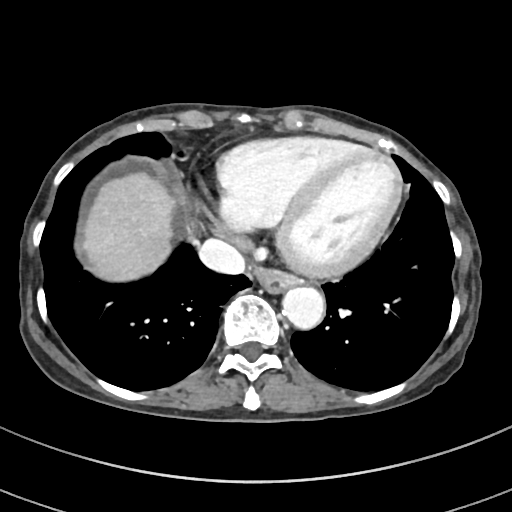
Abdominal CT — axial view — soft-tissue window
<organs><organ name="esophagus" x1="254" y1="267" x2="300" y2="293"/><organ name="liver" x1="81" y1="172" x2="175" y2="281"/><organ name="aorta" x1="282" y1="287" x2="324" y2="329"/><organ name="inferior vena cava" x1="198" y1="239" x2="245" y2="274"/></organs>